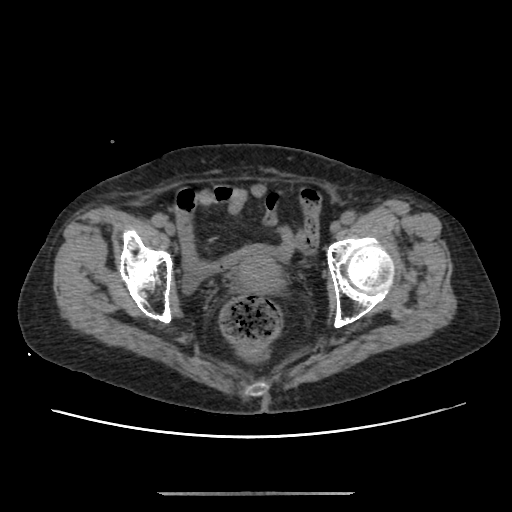
CT, abdomen/pelvis — axial plane, index 67 — soft-tissue window (W 400 / L 40) — 512x512 px
Box edges are left/top/right/bottom in pixels.
prostate/uterus: left=233, top=250, right=284, bottom=292